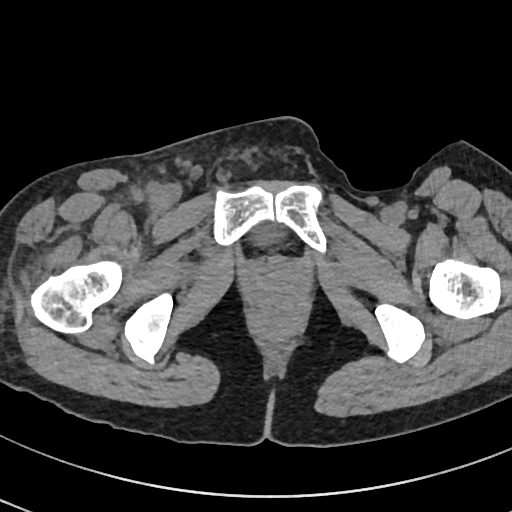 Computed tomography, abdomen; axial view; soft-tissue window (W 400 / L 40); 512x512 px
<organs><organ name="bladder" x1="253" y1="225" x2="279" y2="242"/></organs>